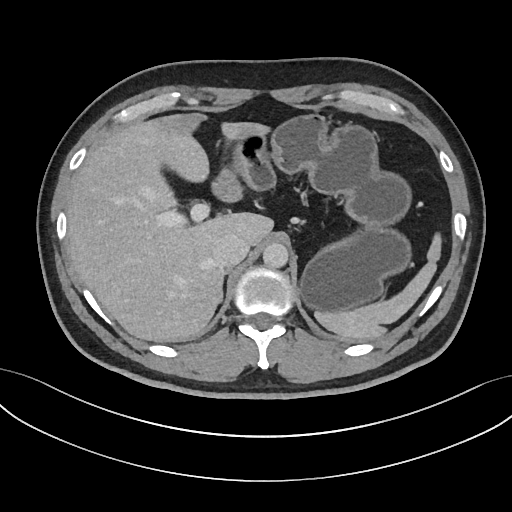 Abdominal CT; Axial slice 206/345; soft-tissue window (W 400 / L 40)
{"organs":{"right adrenal gland":[220,271,227,300],"aorta":[262,243,288,268],"inferior vena cava":[212,235,249,267],"stomach":[226,114,411,315],"spleen":[314,234,441,339],"liver":[66,113,273,342]}}